CT, abdomen/pelvis; axial view
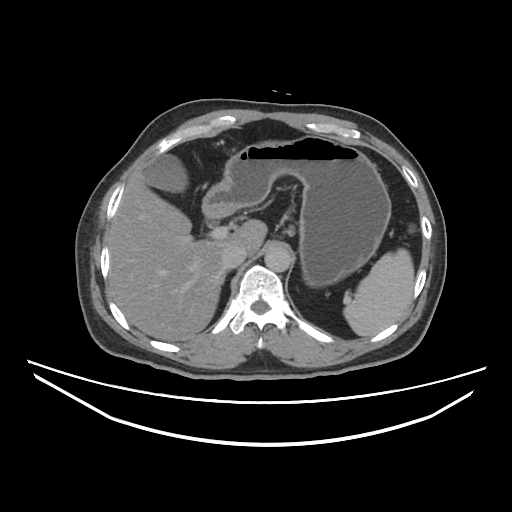 Boxes: x1:y1:x2:y2 in pixels.
inferior vena cava: 221:244:246:269
aorta: 265:247:292:272
right adrenal gland: 221:273:225:285
liver: 108:140:282:340
gall bladder: 142:155:186:193
stomach: 202:135:390:286
spleen: 343:249:415:337